MRI, abdomen; coronal plane, index 52; scan has 13 labeled organs (a whole-scan count: organs this slice does not pass through have no box)
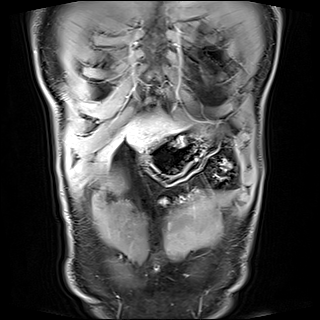
Coordinates as <box>x1,y1,x2,y2</box> in pixels.
Organ bounding boxes:
- stomach: <box>140,134,208,175</box>
- liver: <box>98,115,182,161</box>